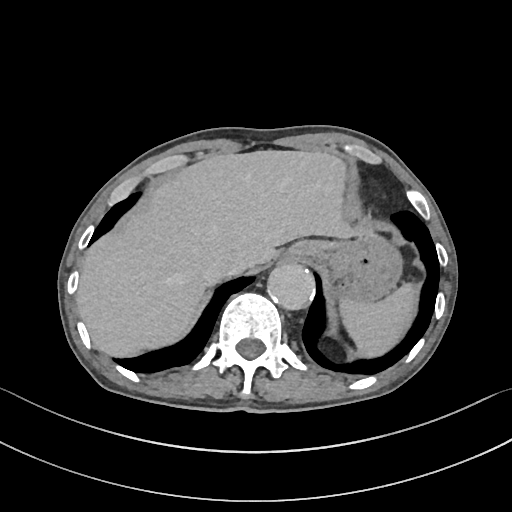 CT, abdomen/pelvis — axial view — abdomen soft-tissue window — 512x512 px — acquired on SOMATOM Force
{"organs":{"spleen":[338,281,418,360],"liver":[76,150,356,356],"stomach":[293,230,402,301],"aorta":[267,262,314,309],"inferior vena cava":[204,255,239,279]}}